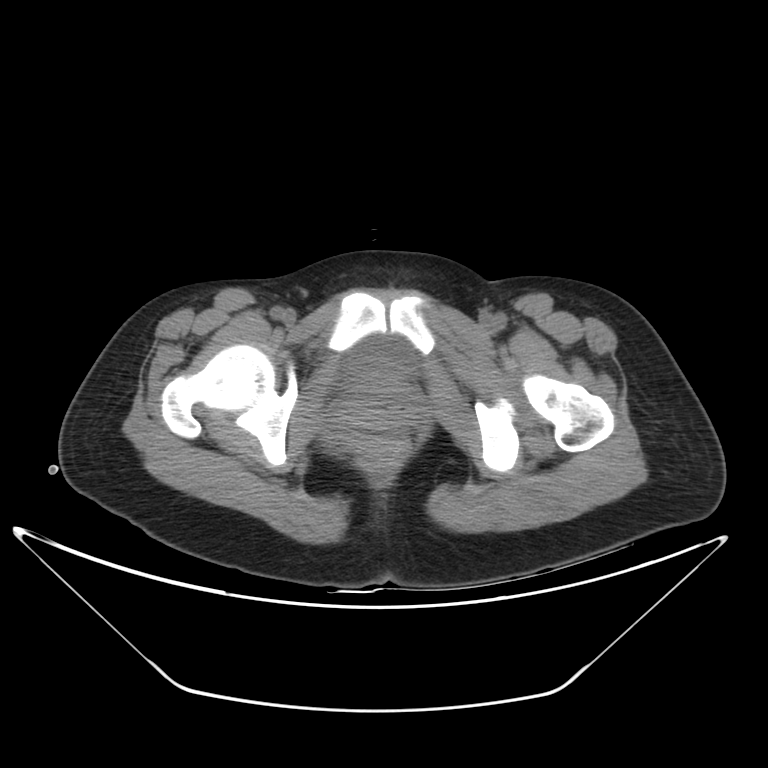 Abdominal CT · axial plane, index 12 · abdomen soft-tissue window · 768x768 px
{"organs":{"bladder":[339,340,418,387]}}